Abdominal CT. axial plane, index 182. abdomen soft-tissue window
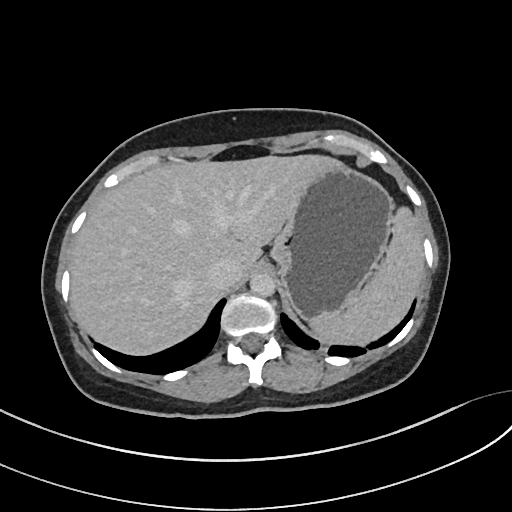

Each box given as x1,y1,x2,y2.
Organ bounding boxes:
- aorta: x1=250, y1=273, x2=275, y2=297
- spleen: x1=310, y1=206, x2=423, y2=344
- inferior vena cava: x1=207, y1=259, x2=239, y2=288
- stomach: x1=271, y1=165, x2=393, y2=319
- liver: x1=70, y1=155, x2=345, y2=355